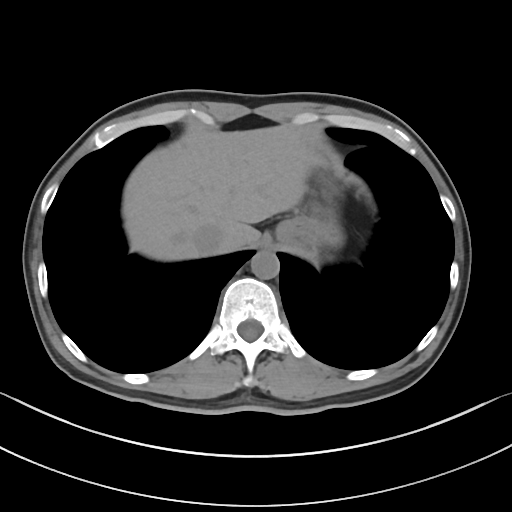

CT, abdomen/pelvis. axial view. W/L 400/40 HU. acquired on SOMATOM Force
<organs><organ name="stomach" x1="275" y1="163" x2="338" y2="259"/><organ name="liver" x1="122" y1="124" x2="319" y2="261"/><organ name="aorta" x1="250" y1="250" x2="279" y2="279"/><organ name="inferior vena cava" x1="192" y1="224" x2="225" y2="255"/></organs>